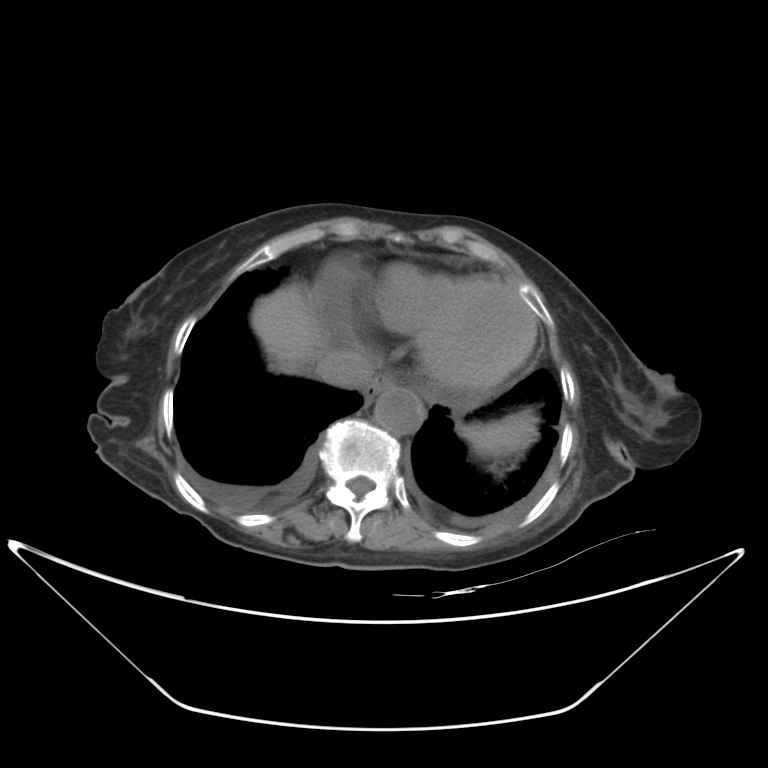

CT abdomen · axial view · soft-tissue window (W 400 / L 40) · female patient aged 90 or older · acquired on Brilliance16 · scan has 15 labeled organs (a whole-scan count: organs this slice does not pass through have no box)
Boxes are (x1, y1, x2, y2) in pixels.
liver: (251, 287, 326, 371)
spleen: (460, 412, 536, 459)
aorta: (374, 388, 424, 434)
inferior vena cava: (315, 349, 375, 389)
esophagus: (363, 373, 394, 401)